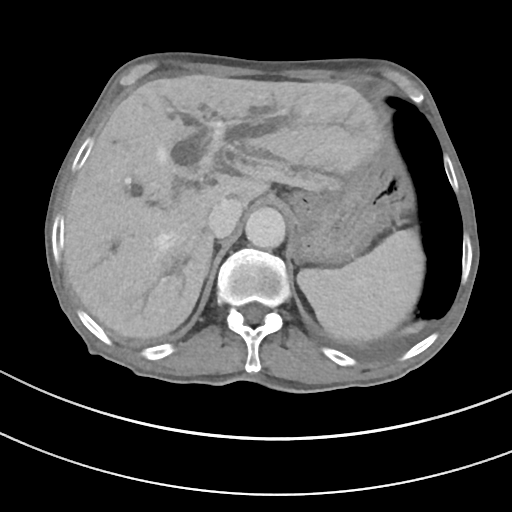

CT abdomen; Axial slice 68/122
Boxes: x1:y1:x2:y2 in pixels. The annotated organs in this slice are: spleen at 297:229:423:341, liver at 65:74:384:338, stomach at 290:159:408:263, aorta at 245:207:285:248, inferior vena cava at 208:197:243:237.